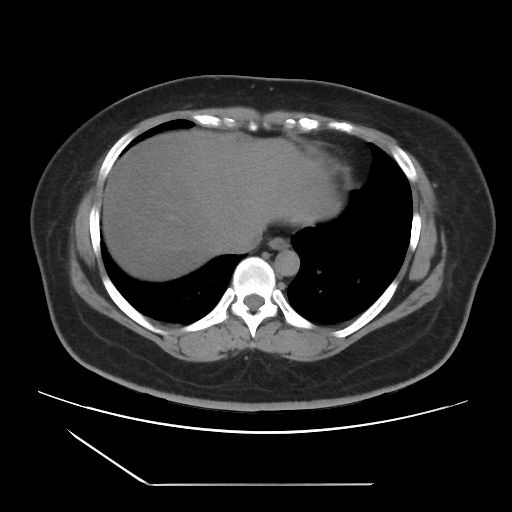
Computed tomography, abdomen · axial view · 512x512 px
Boxes are (x1, y1, x2, y2) in pixels.
inferior vena cava: (225, 227, 262, 252)
esophagus: (268, 237, 289, 249)
aorta: (274, 250, 299, 275)
liver: (103, 130, 340, 280)